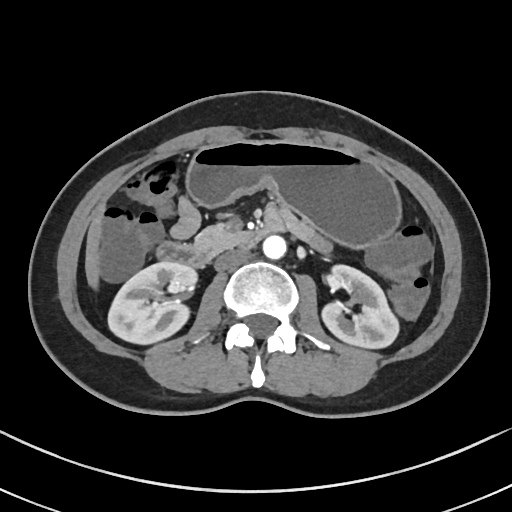

CT abdomen. Axial slice 155/242. 512x512 px
{"organs":{"right kidney":[108,260,199,342],"left kidney":[323,264,398,347],"liver":[85,211,101,288],"stomach":[187,140,399,246],"aorta":[263,234,286,258],"inferior vena cava":[215,248,248,270],"pancreas":[195,226,239,254],"duodenum":[156,214,286,267]}}